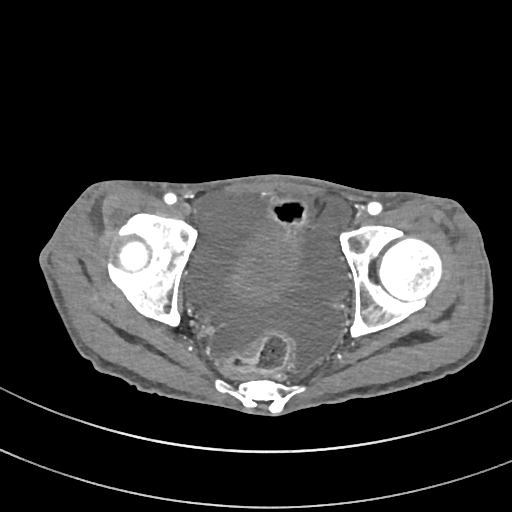

CT, abdomen/pelvis — Axial slice 26/218
Boxes: x1 y1 x2 y2 (pixel coords, space-separated).
Organ bounding boxes:
- bladder: 231 232 302 304